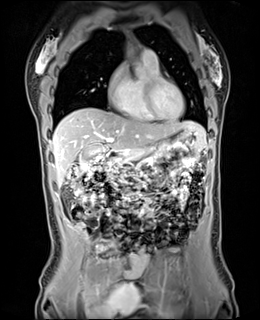

MRI, abdomen; Coronal slice 93/144
Boxes: x1:y1:x2:y2 in pixels.
gall bladder: 79:145:104:170
liver: 52:108:205:186
stomach: 124:127:204:156
aorta: 132:62:148:78
pancreas: 109:153:138:176
duodenum: 106:151:125:162